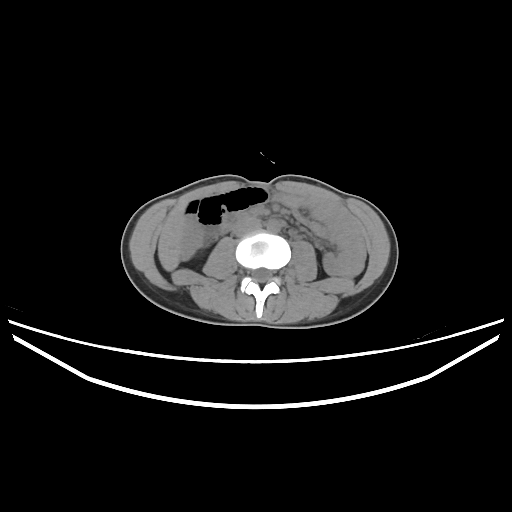 Computed tomography, abdomen — axial view — 31-year-old female patient — 15 organs annotated in this scan (counted over the whole 3D scan, not this slice; an organ is boxed only where this slice passes through it)
{"organs":{"liver":[158,202,188,270],"aorta":[266,219,281,232],"inferior vena cava":[232,218,261,236],"duodenum":[221,212,248,232]}}